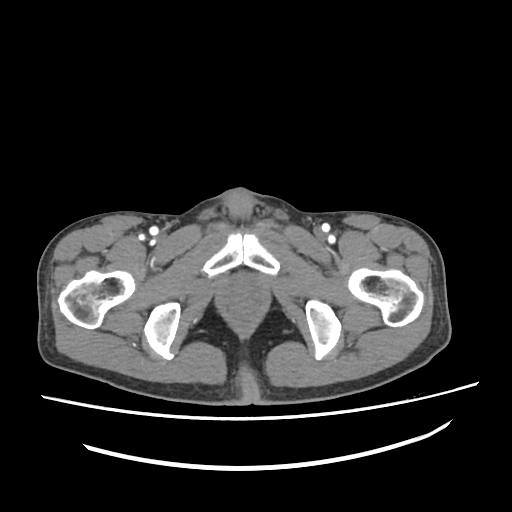
Abdominal CT — Axial slice 14/133 — abdomen soft-tissue window — acquired on Aquilion ONE
Boxes: x1:y1:x2:y2 in pixels. The annotated organs in this slice are: prostate/uterus at 232:278:254:295.